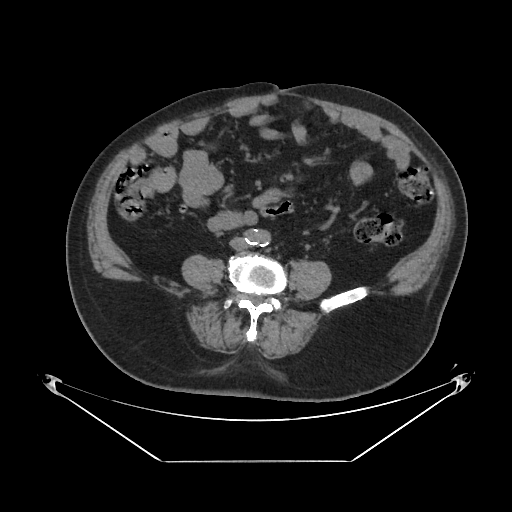

Computed tomography, abdomen · axial view
{"organs":{"aorta":[245,229,268,246],"inferior vena cava":[229,237,247,250]}}